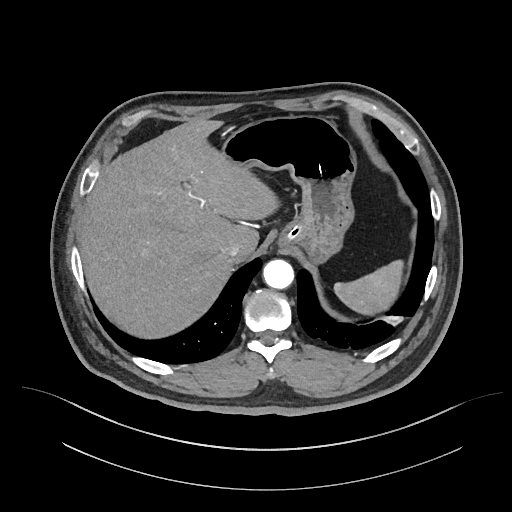 CT abdomen. axial view. 512x512 px
One row per box, in pixels: columns x1 and y1 give the top-left corner, x2 and y2 the bottom-right.
| organ | x1 | y1 | x2 | y2 |
|---|---|---|---|---|
| stomach | 222 | 115 | 355 | 260 |
| spleen | 333 | 260 | 404 | 314 |
| inferior vena cava | 222 | 241 | 240 | 259 |
| liver | 80 | 118 | 275 | 336 |
| aorta | 263 | 260 | 294 | 289 |